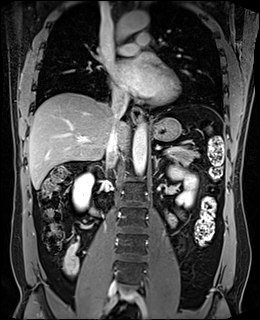

Magnetic resonance imaging, abdomen. coronal acquisition. 1st–99th percentile window. 260x320 px
<organs><organ name="right kidney" x1="73" y1="173" x2="93" y2="210"/><organ name="left kidney" x1="169" y1="166" x2="197" y2="207"/><organ name="esophagus" x1="131" y1="107" x2="142" y2="122"/><organ name="liver" x1="28" y1="92" x2="128" y2="189"/><organ name="stomach" x1="152" y1="118" x2="181" y2="141"/><organ name="aorta" x1="113" y1="11" x2="149" y2="40"/><organ name="aorta" x1="132" y1="124" x2="146" y2="175"/><organ name="inferior vena cava" x1="106" y1="95" x2="128" y2="166"/><organ name="pancreas" x1="167" y1="147" x2="199" y2="162"/><organ name="left adrenal gland" x1="154" y1="156" x2="161" y2="169"/><organ name="duodenum" x1="88" y1="208" x2="98" y2="215"/></organs>